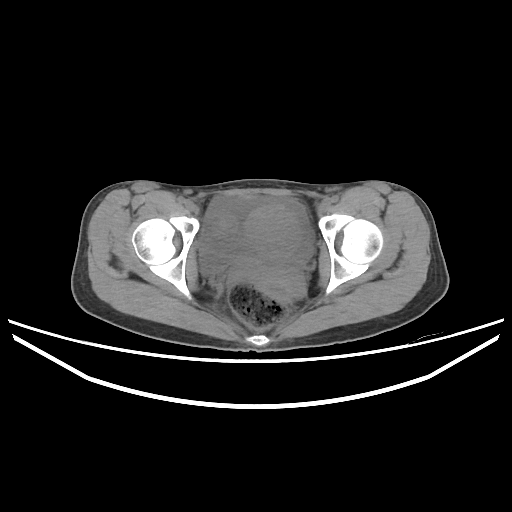 CT abdomen — axial view — abdomen soft-tissue window — 15 organs annotated in this scan (that count is for the whole scan; organs this slice misses have no box)
One row per box, in pixels: columns x1 and y1 give the top-left corner, x2 and y2 the bottom-right.
| organ | x1 | y1 | x2 | y2 |
|---|---|---|---|---|
| prostate/uterus | 246 | 206 | 300 | 293 |
| bladder | 198 | 248 | 236 | 277 |